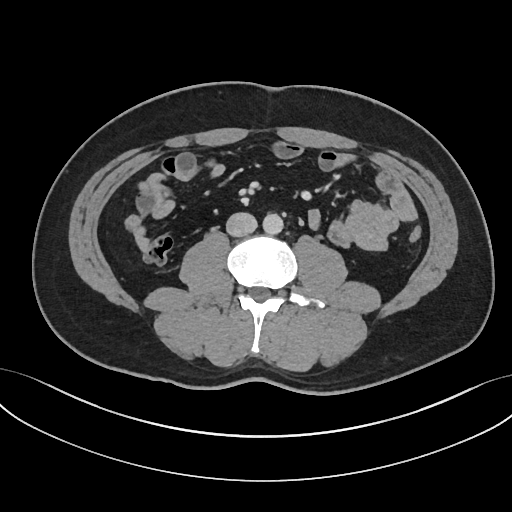 Computed tomography, abdomen. Axial slice 136/345
Bounding boxes in pixels, one row per box: x1, y1 is the top-left corner and x2, y2 the bottom-right.
| organ | x1 | y1 | x2 | y2 |
|---|---|---|---|---|
| aorta | 262 | 213 | 283 | 235 |
| inferior vena cava | 226 | 212 | 257 | 237 |